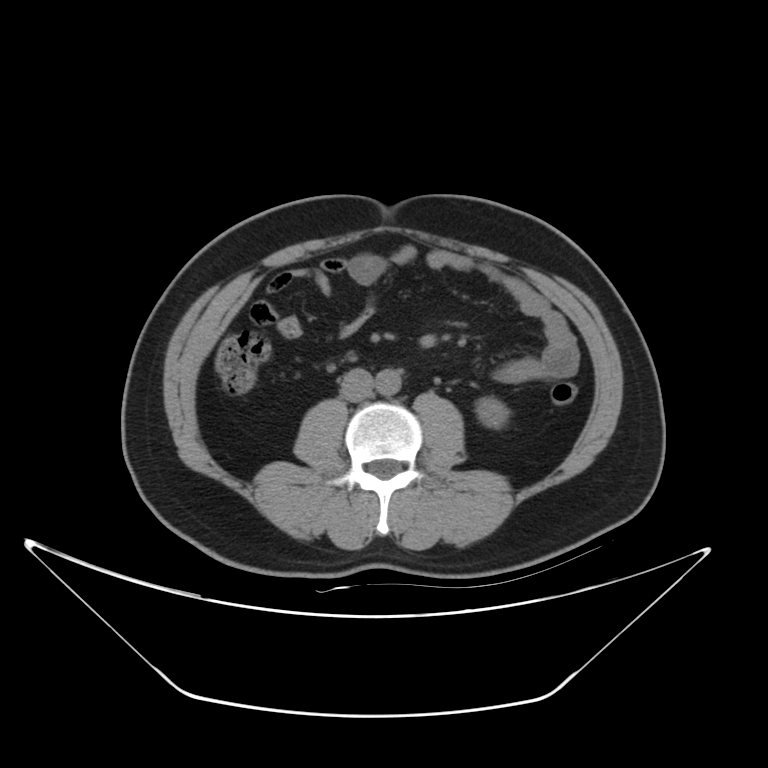
Abdominal CT. axial view
Box edges are left/top/right/bottom in pixels.
left kidney: left=475, top=397, right=508, bottom=428
aorta: left=375, top=369, right=401, bottom=395
inferior vena cava: left=340, top=367, right=373, bottom=401